CT abdomen — axial view
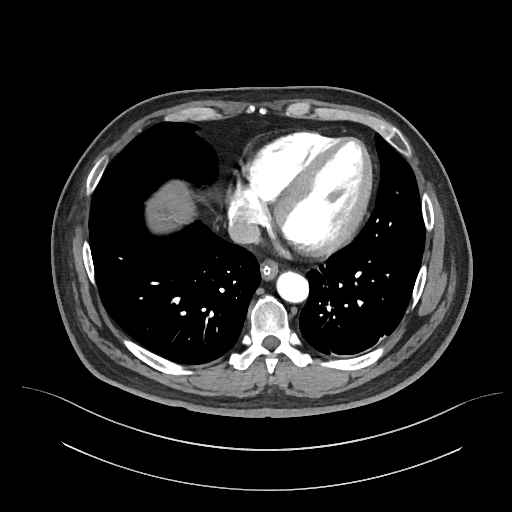 <organs><organ name="inferior vena cava" x1="228" y1="217" x2="260" y2="243"/><organ name="esophagus" x1="260" y1="259" x2="278" y2="279"/><organ name="aorta" x1="276" y1="271" x2="308" y2="302"/><organ name="liver" x1="146" y1="181" x2="195" y2="232"/></organs>